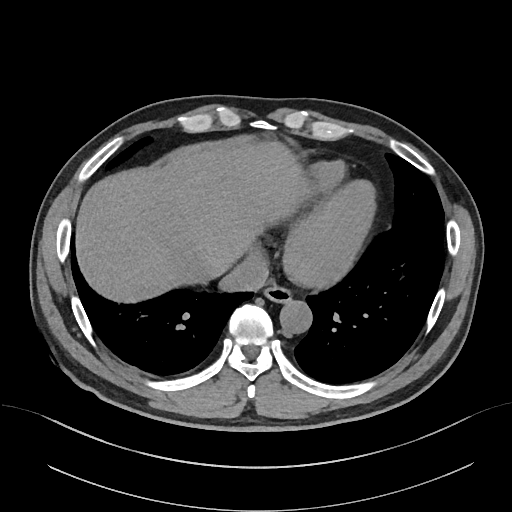

Computed tomography, abdomen · Axial slice 241/265 · 512x512 px · acquired on SOMATOM Force
<organs><organ name="esophagus" x1="264" y1="285" x2="291" y2="303"/><organ name="liver" x1="77" y1="142" x2="310" y2="301"/><organ name="aorta" x1="279" y1="301" x2="312" y2="333"/><organ name="inferior vena cava" x1="220" y1="249" x2="269" y2="290"/></organs>